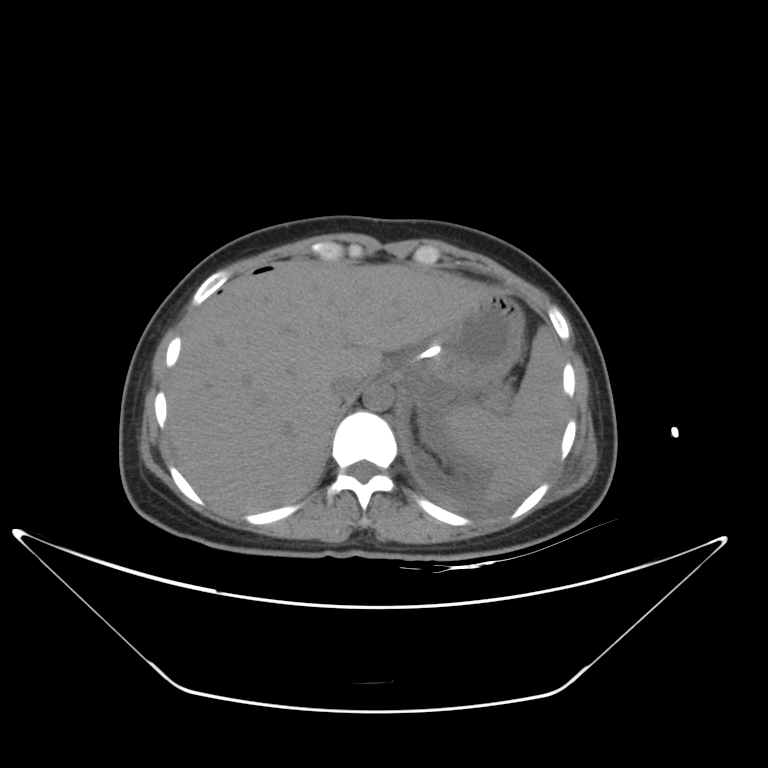

CT, abdomen/pelvis; axial plane, index 78; 768x768 px
Boxes: x1 y1 x2 y2 (pixel coords, space-separated).
stomach: 383 291 524 396
aorta: 363 382 393 410
inferior vena cava: 331 374 362 401
liver: 166 259 490 514
spleen: 444 326 567 499